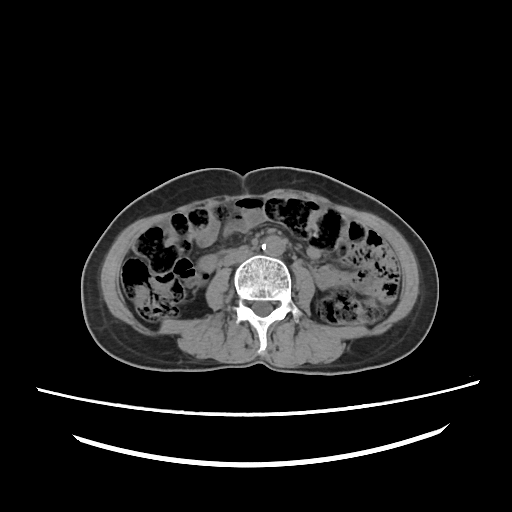 CT, abdomen/pelvis · axial view
Bounding boxes as [x1, y1, x2, y2] in pixel coordinates.
Organ bounding boxes:
- aorta: [262, 236, 285, 256]
- inferior vena cava: [223, 246, 252, 265]